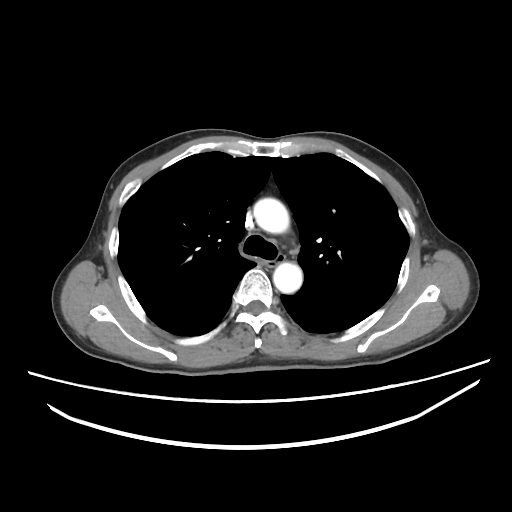

CT of the abdomen extending into the chest, slice through the chest · Axial slice 81/109 · 63-year-old male patient · acquired on Aquilion ONE
At this level of the chest no structure but the esophagus and the aorta has a label in this dataset, and those two are boxed only where they are labeled.
Boxes are (x1, y1, x2, y2) in pixels.
aorta: (253, 198, 289, 233)
aorta: (273, 262, 302, 293)
esophagus: (266, 254, 286, 267)